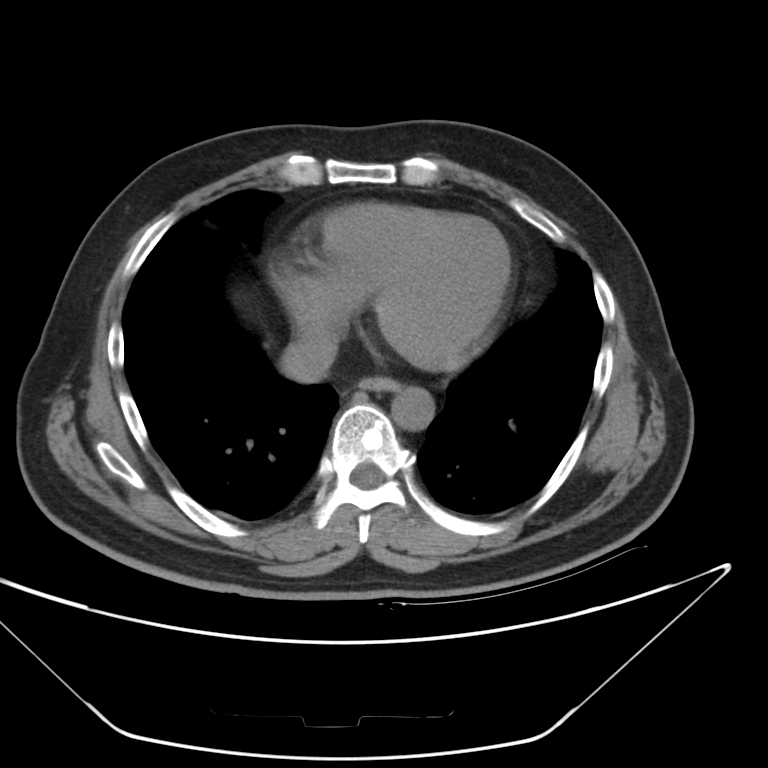
CT of the abdomen reaching into the lower chest, slice just above the liver and spleen. axial view. 50-year-old male patient. 14 organs annotated in this scan (that count is for the whole scan; organs this slice misses have no box)
Of the structures in the chest, this dataset labels only the esophagus, the aorta and the inferior vena cava; the heart and lungs have no label.
One row per box, in pixels: columns x1 and y1 give the top-left corner, x2 and y2 the bottom-right.
| organ | x1 | y1 | x2 | y2 |
|---|---|---|---|---|
| esophagus | 360 | 376 | 396 | 390 |
| aorta | 392 | 385 | 434 | 430 |
| inferior vena cava | 282 | 328 | 339 | 384 |